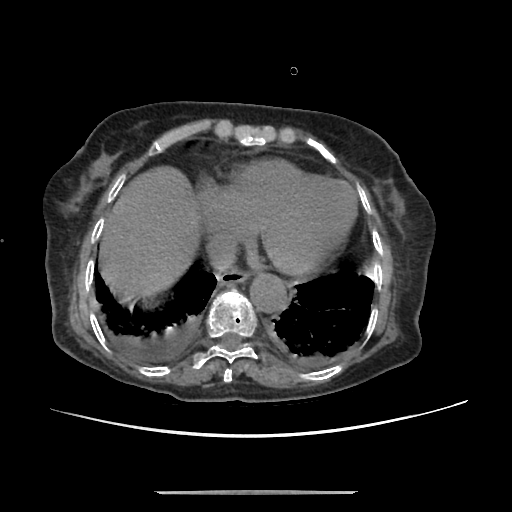
Abdominal CT; axial view; soft-tissue window; 512x512 px; SOMATOM Force scanner
Box edges are left/top/right/bottom in pixels. The annotated organs in this slice are: aorta at left=249, top=273, right=286, bottom=312, liver at left=98, top=165, right=198, bottom=298, esophagus at left=218, top=267, right=250, bottom=284, inferior vena cava at left=207, top=234, right=236, bottom=271.